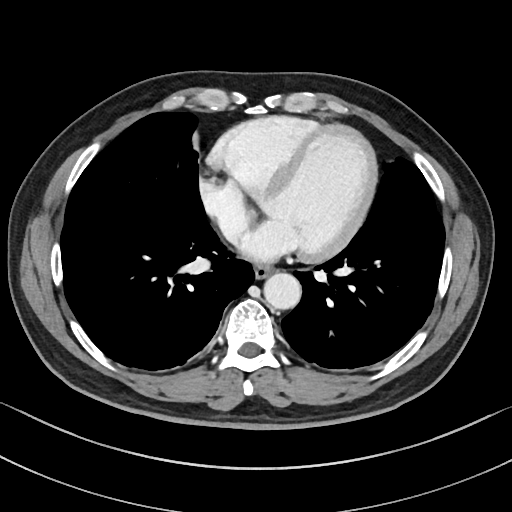
CT of the abdomen reaching into the lower chest, slice just above the liver and spleen; axial view; soft-tissue window; SOMATOM Force scanner; scan has 15 labeled organs (that count is for the whole scan; organs this slice misses have no box)
Of the structures in the chest, this dataset labels only the esophagus, the aorta and the inferior vena cava; the heart and lungs have no label.
Organ boxes in pixel coordinates; each row gives the top-left (x1, y1) and bottom-right (x2, y2) corners.
| organ | x1 | y1 | x2 | y2 |
|---|---|---|---|---|
| esophagus | 254 | 267 | 273 | 279 |
| aorta | 264 | 273 | 301 | 309 |